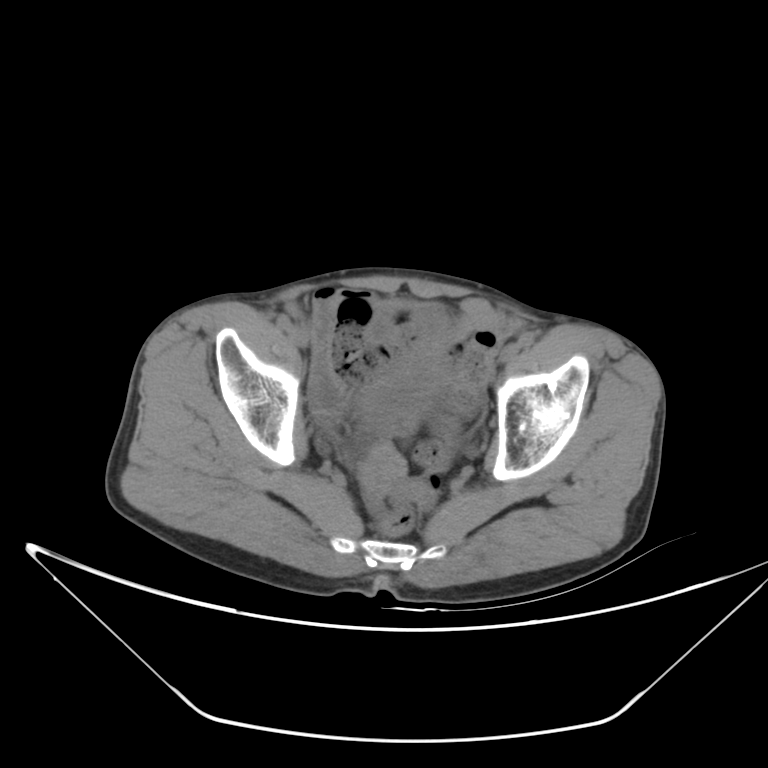
CT, abdomen/pelvis. axial view. 768x768 px
Boxes are (x1, y1, x2, y2) in pixels.
Organ bounding boxes:
- bladder: (360, 298, 450, 431)